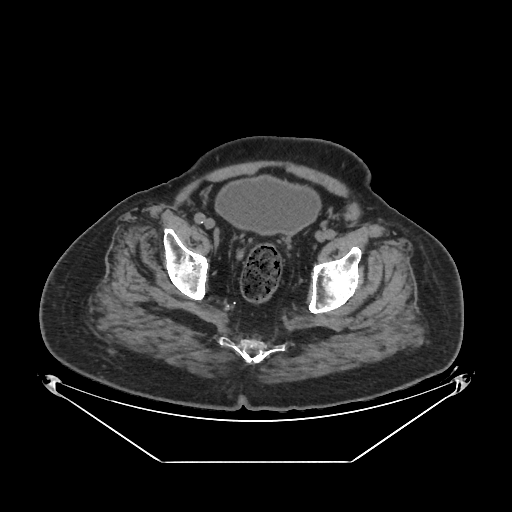 CT abdomen; axial plane, index 61; scan has 15 labeled organs (counted over the whole 3D scan, not this slice; an organ is boxed only where this slice passes through it)
{"organs":{"bladder":[215,175,321,234]}}